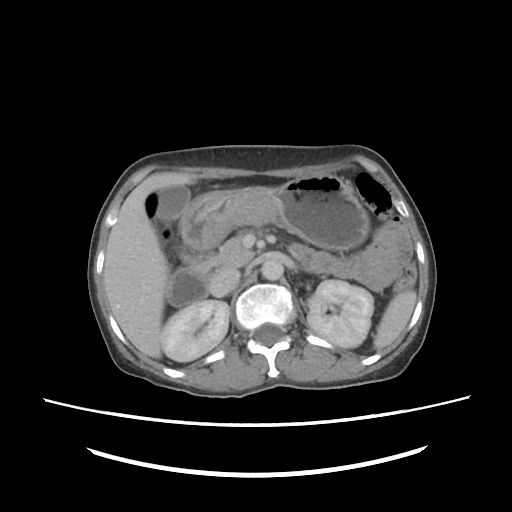
Abdominal CT — Axial slice 70/92
Boxes: x1:y1:x2:y2 in pixels. Labeled organs on this slice: right kidney at 161:301:229:362, duodenum at 167:241:337:306, left kidney at 305:280:373:346, inferior vena cava at 207:268:240:297, stomach at 181:173:369:251, aorta at 260:257:284:279, spleen at 374:290:417:349, liver at 103:171:200:358, gall bladder at 156:185:190:225, pancreas at 200:226:274:276.